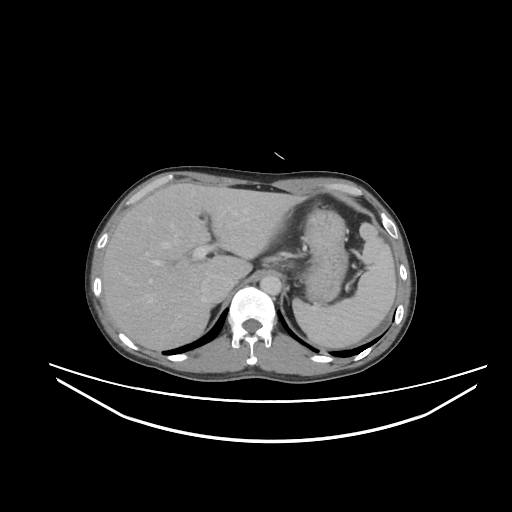
CT abdomen; axial view; soft-tissue window
Bounding boxes as [x1, y1, x2, y2] in pixel coordinates. Labeled organs on this slice: stomach at [300, 208, 348, 302], aorta at [260, 275, 281, 295], spleen at [292, 223, 396, 348], inferior vena cava at [201, 275, 235, 302], liver at [102, 183, 305, 350].